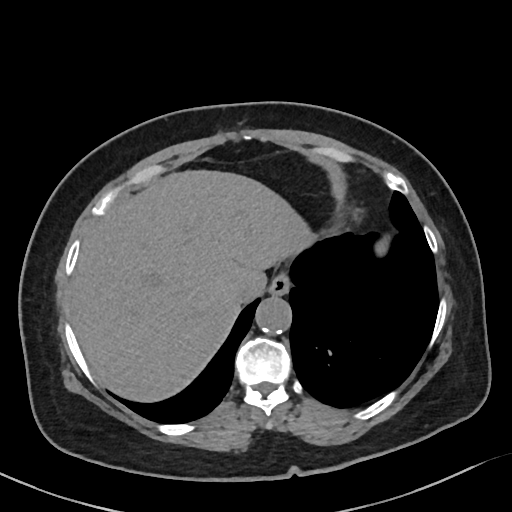 CT, abdomen/pelvis — axial plane, index 168 — 512x512 px — scan has 15 labeled organs (counted over the whole 3D scan, not this slice; an organ is boxed only where this slice passes through it)
Boxes: x1:y1:x2:y2 in pixels.
esophagus: 269:273:290:295
liver: 69:170:314:402
aorta: 255:297:291:334
inferior vena cava: 233:275:265:302